CT abdomen — axial view — soft-tissue window
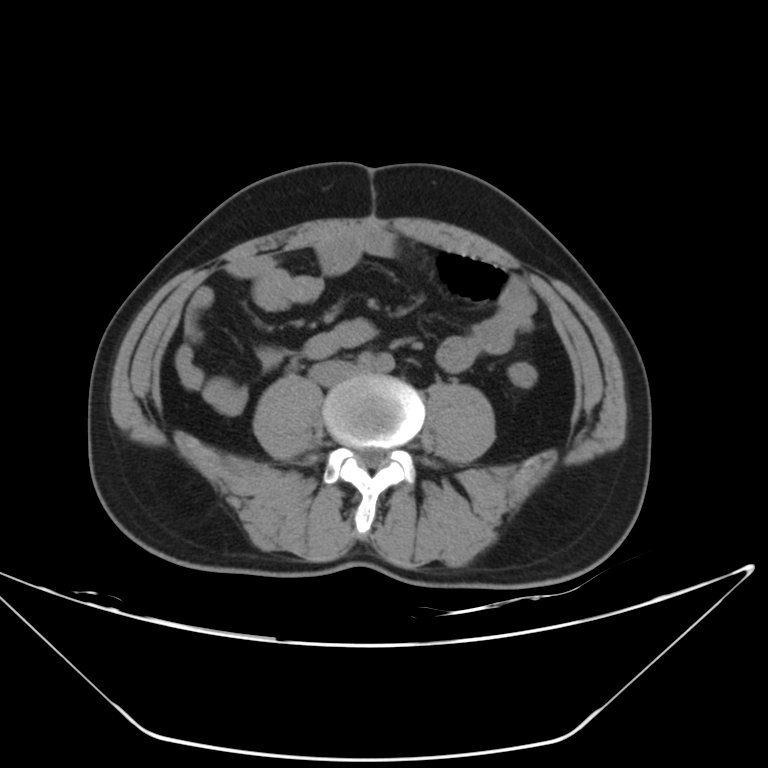

Bounding boxes as [x1, y1, x2, y2] in pixel coordinates.
Organ bounding boxes:
- inferior vena cava: [312, 361, 354, 383]